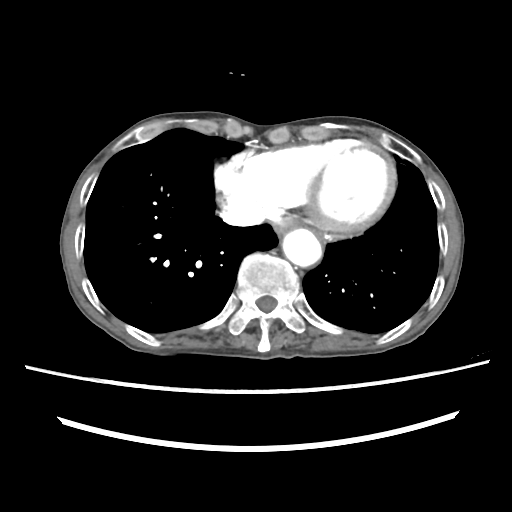 Abdominal CT; this slice is in the lower chest, just above the liver · Axial slice 77/120
The heart and lungs are never labeled in this dataset, so they have no box on this slice.
<organs><organ name="esophagus" x1="274" y1="219" x2="299" y2="235"/><organ name="aorta" x1="282" y1="228" x2="321" y2="266"/><organ name="inferior vena cava" x1="221" y1="204" x2="265" y2="226"/></organs>